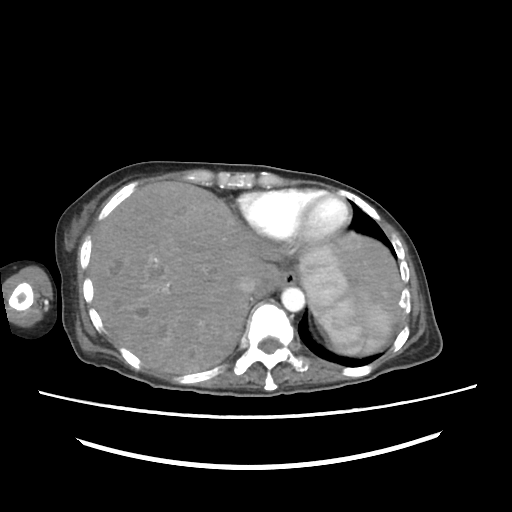 CT abdomen — axial view — soft-tissue window (W 400 / L 40) — 48-year-old female patient
{"organs":{"spleen":[298,245,393,354],"esophagus":[276,269,297,288],"liver":[90,181,402,373],"aorta":[281,287,304,311],"inferior vena cava":[235,276,255,295]}}